Abdominal CT reaching into the chest; this slice is in the chest · axial view · soft-tissue window, W/L 400/40
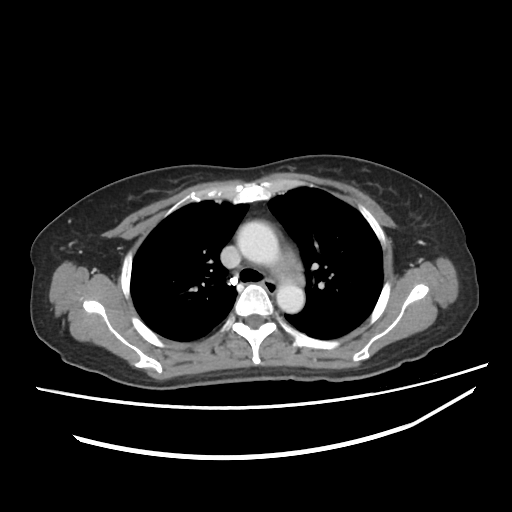

At this level of the chest no structure but the esophagus and the aorta has a label in this dataset, and those two are boxed only where they are labeled. Bounding boxes as [x1, y1, x2, y2] in pixel coordinates. Labeled organs on this slice: aorta at [237, 220, 280, 266], aorta at [276, 279, 304, 313], esophagus at [264, 280, 276, 293].